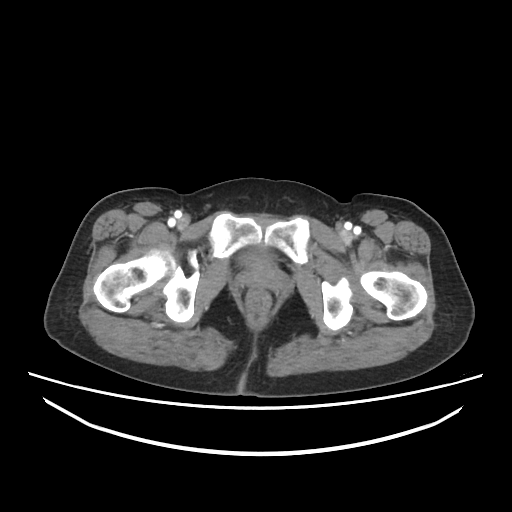 Abdominal CT. axial view. 512x512 px. Aquilion ONE scanner. scan has 15 labeled organs (that count is for the whole scan; organs this slice misses have no box)
{"organs":{"bladder":[244,248,256,269]}}